Abdominal CT. axial plane, index 16. 50-year-old male patient. acquired on Aquilion ONE. 14 organs annotated in this scan (a whole-scan count: organs this slice does not pass through have no box)
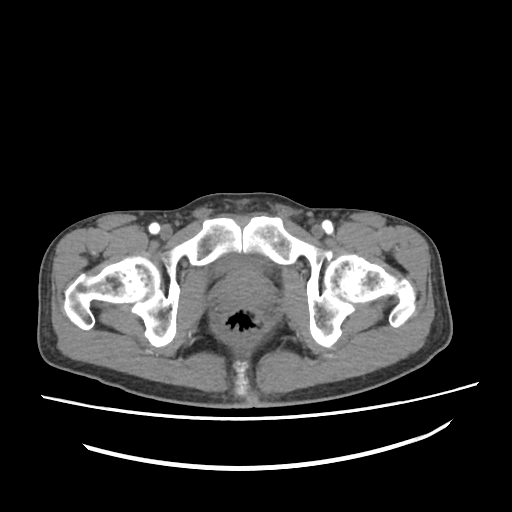

Box edges are left/top/right/bottom in pixels.
Organ bounding boxes:
- bladder: left=215, top=255, right=263, bottom=273
- prostate/uterus: left=219, top=270, right=269, bottom=307